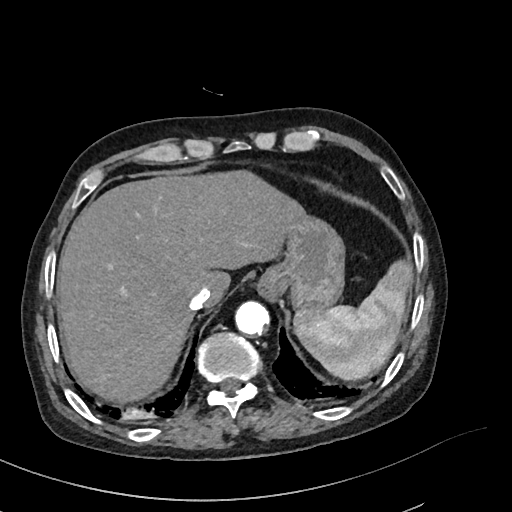

CT abdomen — axial view — 512x512 px
<organs><organ name="spleen" x1="294" y1="260" x2="413" y2="380"/><organ name="esophagus" x1="257" y1="269" x2="276" y2="301"/><organ name="liver" x1="60" y1="170" x2="304" y2="403"/><organ name="stomach" x1="269" y1="213" x2="344" y2="309"/><organ name="aorta" x1="235" y1="301" x2="269" y2="335"/><organ name="inferior vena cava" x1="189" y1="287" x2="211" y2="310"/></organs>